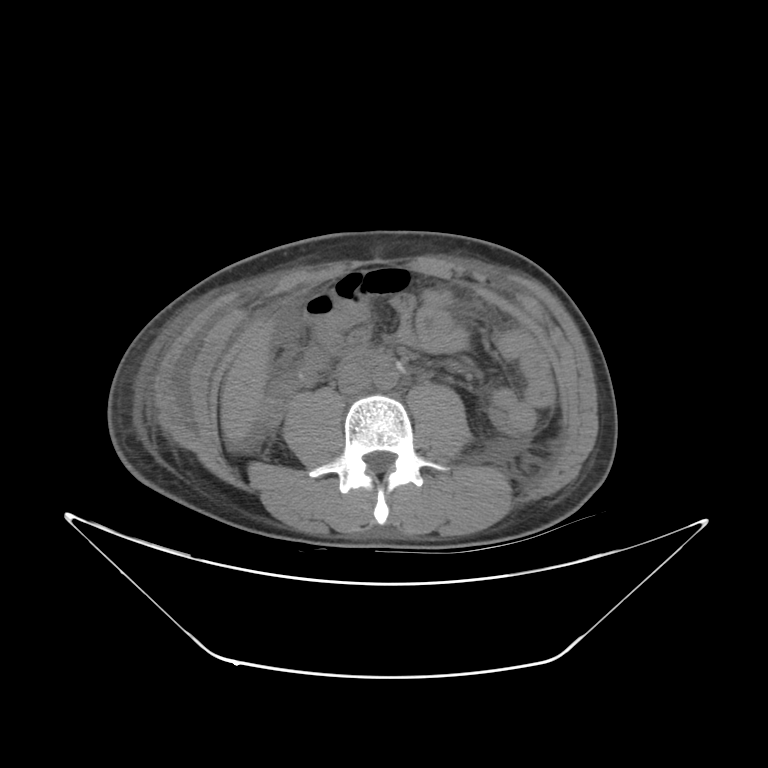 Abdominal CT · Axial slice 51/91 · Brilliance16 scanner
Each box given as x1,y1,x2,y2. The annotated organs in this slice are: aorta at x1=373, y1=364, x2=398, y2=389, inferior vena cava at x1=337, y1=364, x2=371, y2=394, liver at x1=221, y1=321, x2=273, y2=437, duodenum at x1=357, y1=355, x2=380, y2=363.